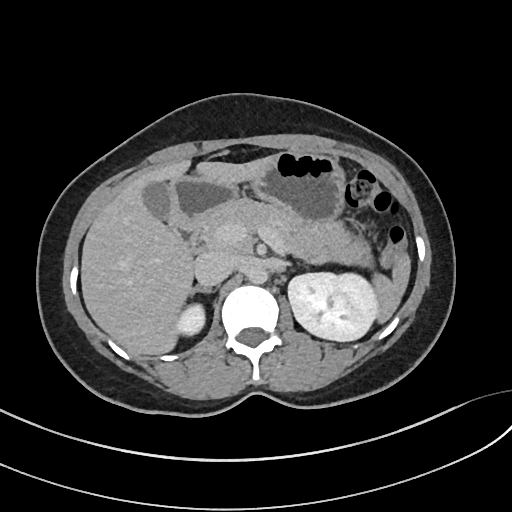
CT, abdomen/pelvis · axial view · W/L 400/40 HU
Bounding boxes as [x1, y1, x2, y2] in pixel coordinates.
Organ bounding boxes:
- spleen: [373, 254, 410, 322]
- right kidney: [175, 303, 204, 336]
- left kidney: [288, 272, 378, 341]
- gall bladder: [143, 182, 172, 221]
- liver: [81, 156, 271, 355]
- stomach: [170, 151, 345, 224]
- aorta: [246, 265, 267, 284]
- inferior vena cava: [194, 250, 235, 286]
- pancreas: [201, 198, 372, 266]
- right adrenal gland: [190, 285, 212, 295]
- duodenum: [171, 221, 205, 253]